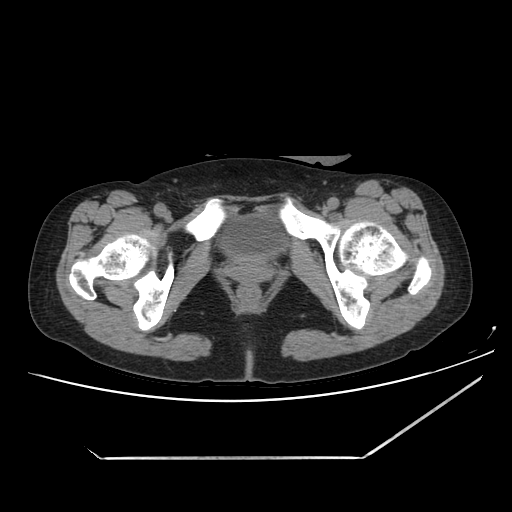 CT, abdomen/pelvis · axial view · soft-tissue window (W 400 / L 40)
Boxes are (x1, y1, x2, y2) in pixels. Labeled organs on this slice: bladder at (221, 215, 285, 260).